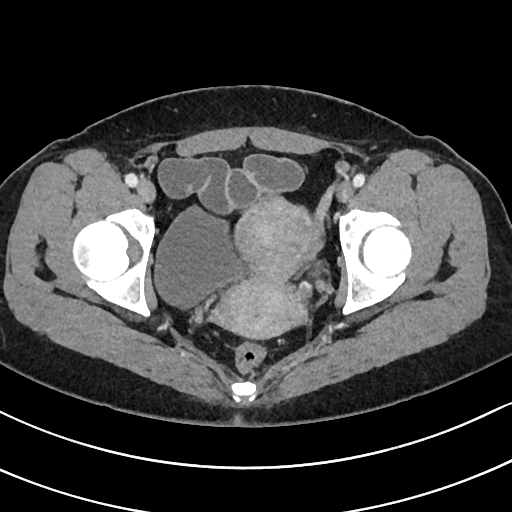

Abdominal CT — axial view — 512x512 px — 15 organs annotated in this scan (counted over the whole 3D scan, not this slice; an organ is boxed only where this slice passes through it)
{"organs":{"bladder":[155,205,242,307],"prostate/uterus":[216,197,318,337]}}